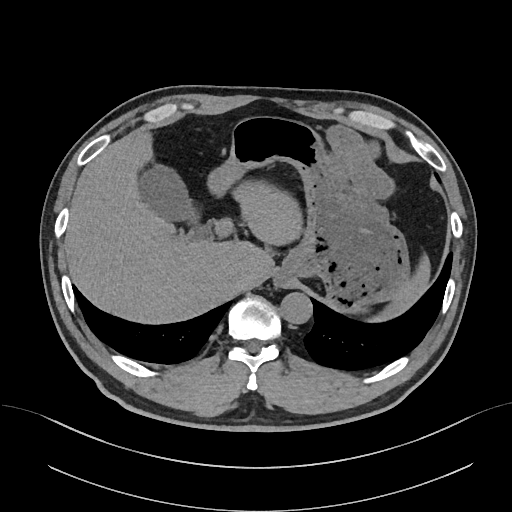

Abdominal CT. axial plane, index 216. 512x512 px. acquired on SOMATOM Force
Box edges are left/top/right/bottom in pixels. Labeled organs on this slice: gall bladder at left=139, top=165, right=193, bottom=221, liver at left=65, top=130, right=429, bottom=323, stomach at left=207, top=116, right=409, bottom=311, aorta at left=280, top=292, right=312, bottom=323, inferior vena cava at left=229, top=267, right=246, bottom=284.